CT abdomen. axial view. scan has 15 labeled organs (counted over the whole 3D scan, not this slice; an organ is boxed only where this slice passes through it)
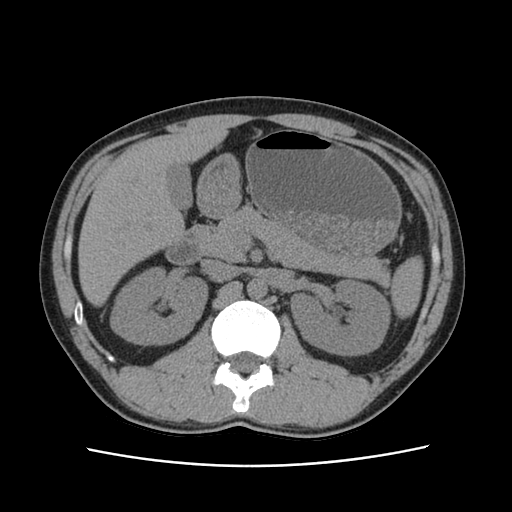
Boxes: x1:y1:x2:y2 in pixels.
Organ bounding boxes:
- duodenum: 165:225:203:264
- spleen: 390:256:423:318
- inferior vena cava: 201:259:238:277
- stomach: 197:129:401:256
- right kidney: 110:267:207:344
- pancreas: 198:206:389:285
- aorta: 247:278:267:299
- gall bladder: 167:163:192:210
- left kidney: 290:280:390:355
- liver: 78:131:227:306